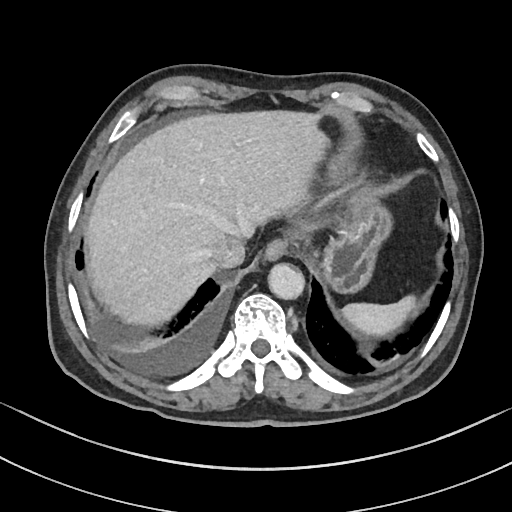 Abdominal CT — Axial slice 202/221 — 512x512 px — scan has 14 labeled organs (a whole-scan count: organs this slice does not pass through have no box)
One row per box, in pixels: columns x1 and y1 give the top-left corner, x2 and y2 the bottom-right.
| organ | x1 | y1 | x2 | y2 |
|---|---|---|---|---|
| spleen | 341 | 296 | 417 | 336 |
| esophagus | 263 | 240 | 287 | 262 |
| liver | 86 | 112 | 326 | 325 |
| stomach | 324 | 207 | 388 | 291 |
| aorta | 268 | 264 | 305 | 300 |
| inferior vena cava | 208 | 233 | 250 | 266 |